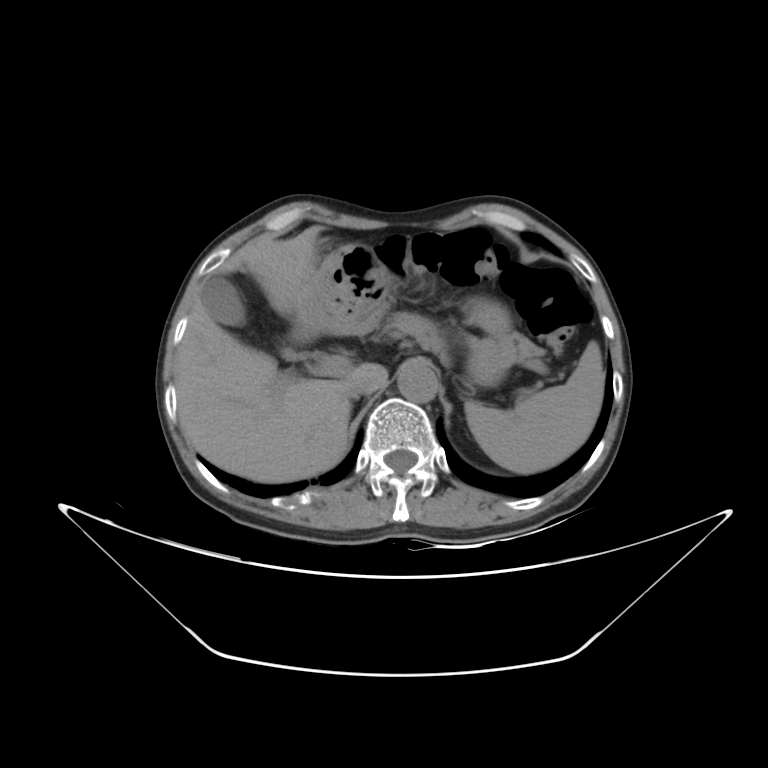 CT abdomen · Axial slice 79/100 · 52-year-old male patient
Boxes are (x1, y1, x2, y2) in pixels.
spleen: (465, 341, 605, 473)
gall bladder: (201, 277, 245, 326)
liver: (175, 225, 387, 482)
stomach: (290, 243, 515, 386)
aorta: (397, 360, 437, 402)
inferior vena cava: (345, 388, 372, 399)
pancreas: (382, 312, 544, 364)